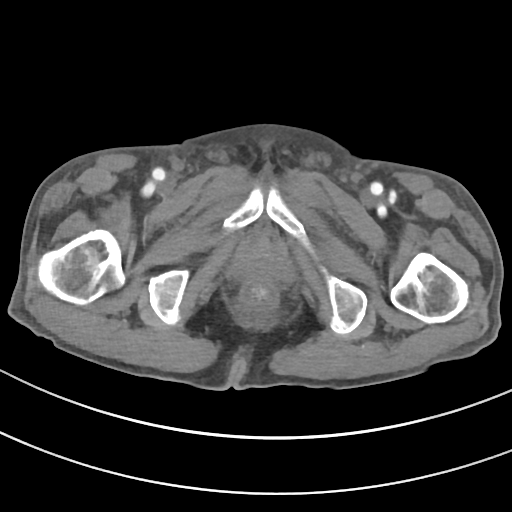
CT abdomen — Axial slice 5/122 — W/L 400/40 HU — SOMATOM Force scanner — 15 organs annotated in this scan (a whole-scan count: organs this slice does not pass through have no box)
{"organs":{"prostate/uterus":[235,241,286,280]}}